CT of the abdomen reaching into the lower chest, slice just above the liver and spleen. axial view. 512x512 px. acquired on SOMATOM Force
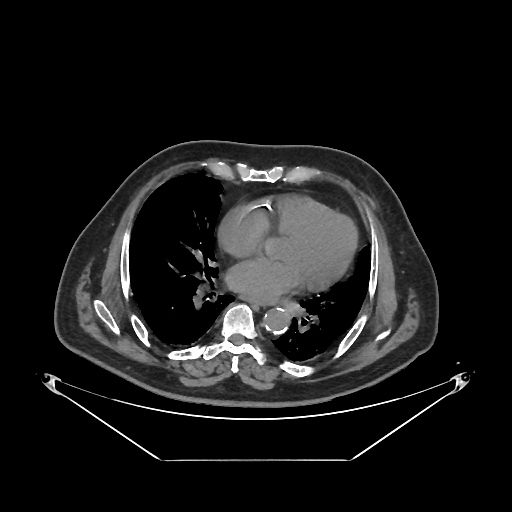

The heart and lungs are never labeled in this dataset, so they have no box on this slice.
Organ boxes in pixel coordinates; each row gives the top-left (x1, y1) and bottom-right (x2, y2) corners.
| organ | x1 | y1 | x2 | y2 |
|---|---|---|---|---|
| aorta | 263 | 308 | 291 | 334 |
| esophagus | 241 | 294 | 273 | 304 |